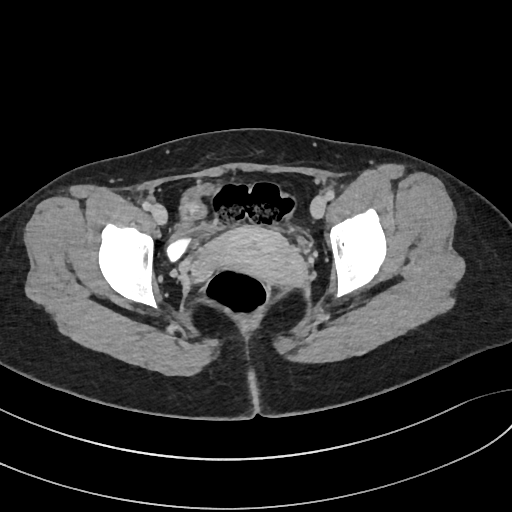

Abdominal CT — axial view
Boxes: x1 y1 x2 y2 (pixel coords, space-separated). Labeled organs on this slice: bladder at 167 184 294 259, prostate/uterus at 205 226 305 286.